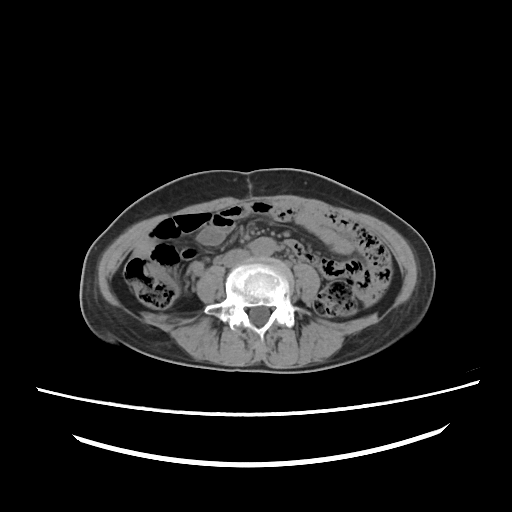 Computed tomography, abdomen · axial view · soft-tissue window (W 400 / L 40)
Boxes: x1 y1 x2 y2 (pixel coords, space-separated).
Organ bounding boxes:
- aorta: 250 237 276 256
- inferior vena cava: 223 249 249 266